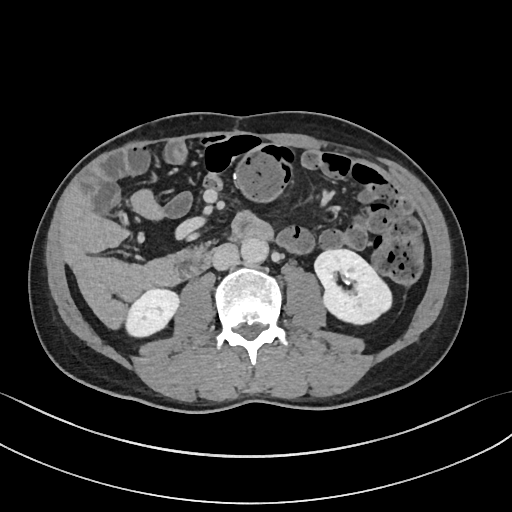
Computed tomography, abdomen · Axial slice 137/230 · soft-tissue window (W 400 / L 40)
Box edges are left/top/right/bottom in pixels.
Organ bounding boxes:
- right kidney: left=126, top=289, right=178, bottom=336
- left kidney: left=314, top=249, right=391, bottom=324
- aorta: left=241, top=237, right=268, bottom=265
- inferior vena cava: left=212, top=243, right=238, bottom=270